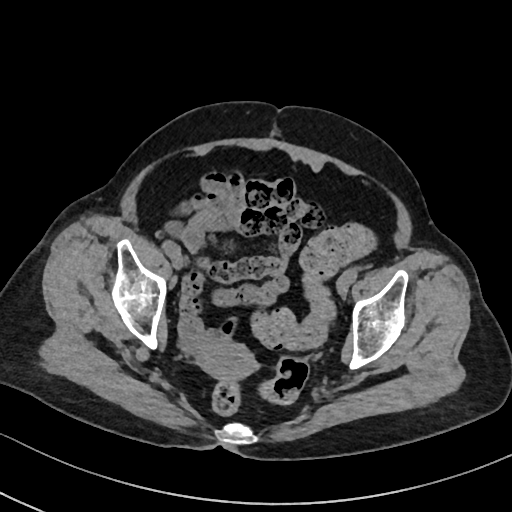

Abdominal CT — Axial slice 53/202 — abdomen soft-tissue window — acquired on SOMATOM Force
Organ boxes in pixel coordinates; each row gives the top-left (x1, y1) and bottom-right (x2, y2) corners.
| organ | x1 | y1 | x2 | y2 |
|---|---|---|---|---|
| prostate/uterus | 197 | 340 | 256 | 382 |